Abdominal CT. axial plane, index 118. 512x512 px
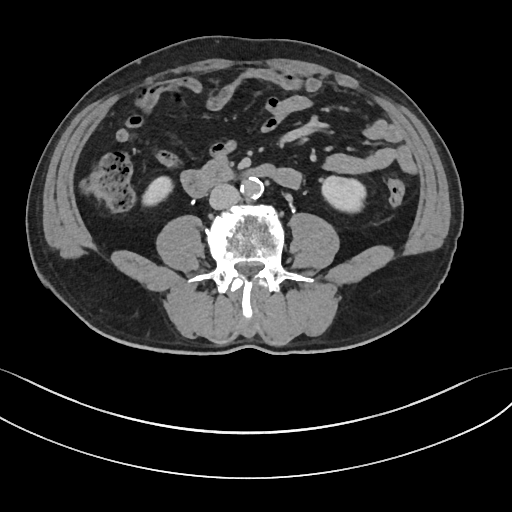 {"organs":{"right kidney":[142,176,172,206],"aorta":[240,178,263,199],"duodenum":[181,162,273,196],"inferior vena cava":[209,183,240,209],"left kidney":[322,176,366,212]}}